CT abdomen — Axial slice 13/245
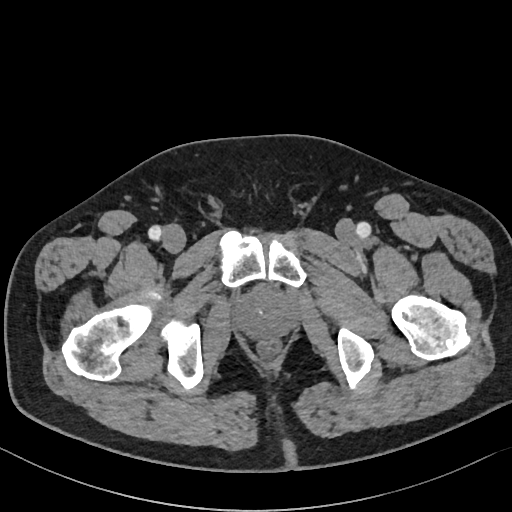 Each box given as x1,y1,x2,y2. The annotated organs in this slice are: prostate/uterus at x1=233, y1=286, x2=297, y2=339.